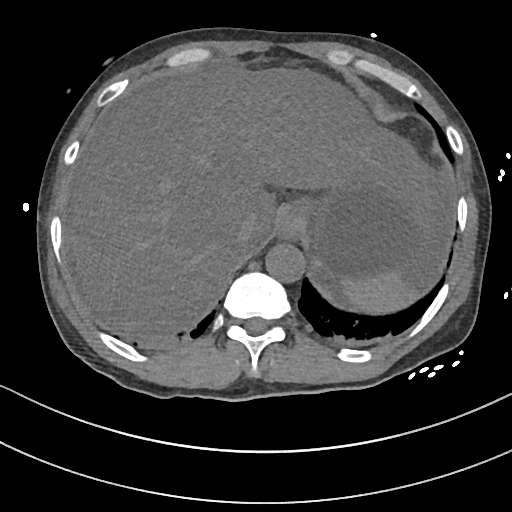

CT, abdomen/pelvis — axial view — acquired on SOMATOM Force
Coordinates as <box>x1,y1,x2,y2</box> in pixels. The annotated organs in this slice are: spleen at <box>341,272,418,313</box>, stomach at <box>277,179,443,284</box>, liver at <box>67,67,435,339</box>, aorta at <box>265,243,305,283</box>, inferior vena cava at <box>233,219,253,251</box>.